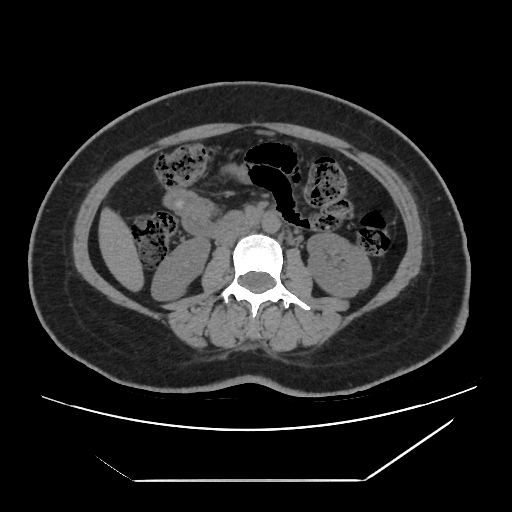
Abdominal CT — axial view — soft-tissue window (W 400 / L 40)
Boxes: x1:y1:x2:y2 in pixels.
right kidney: 151:238:209:300
left kidney: 307:232:371:296
liver: 99:209:143:290
aorta: 261:214:280:233
inferior vena cava: 220:225:250:245
duodenum: 213:212:267:239